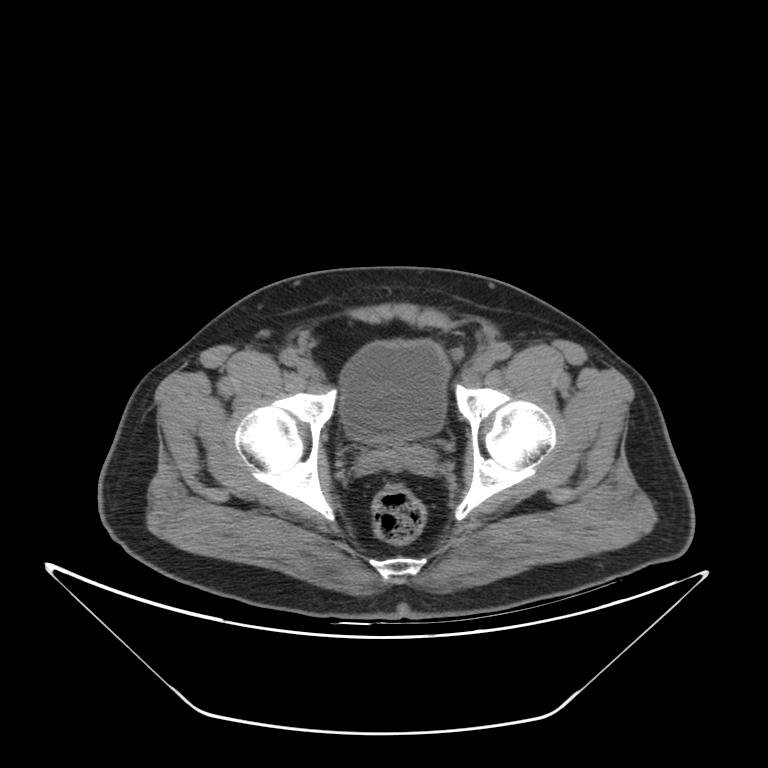
CT, abdomen/pelvis; axial view; abdomen soft-tissue window; 768x768 px; 55-year-old male patient; scan has 15 labeled organs (counted over the whole 3D scan, not this slice; an organ is boxed only where this slice passes through it)
Coordinates as <box>x1,y1,x2,y2</box> in pixels. 1 labeled organ on this slice — bladder at <box>340,340,449,440</box>.